Abdominal CT — axial view — W/L 400/40 HU — acquired on SOMATOM Force
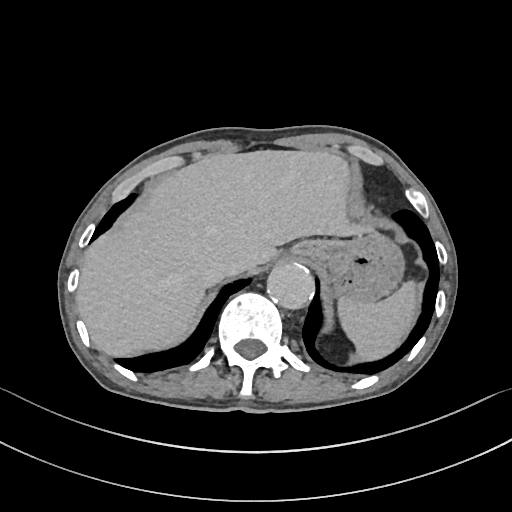 <organs><organ name="spleen" x1="338" y1="281" x2="418" y2="360"/><organ name="liver" x1="76" y1="150" x2="361" y2="356"/><organ name="stomach" x1="293" y1="230" x2="404" y2="301"/><organ name="aorta" x1="267" y1="262" x2="314" y2="309"/><organ name="inferior vena cava" x1="204" y1="255" x2="239" y2="279"/></organs>